CT, abdomen/pelvis; axial view; W/L 400/40 HU; SOMATOM Force scanner; 15 organs annotated in this scan (that count is for the whole scan; organs this slice misses have no box)
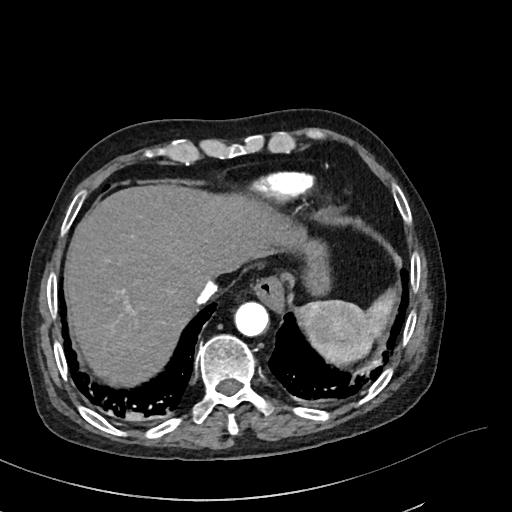

Boxes: x1 y1 x2 y2 (pixel coords, space-separated). 6 labeled organs on this slice — spleen at 298 289 396 366; esophagus at 253 278 283 310; liver at 68 185 305 387; stomach at 301 240 331 295; aorta at 234 302 268 336; inferior vena cava at 195 281 217 304.